CT abdomen — axial view — abdomen soft-tissue window — Aquilion ONE scanner
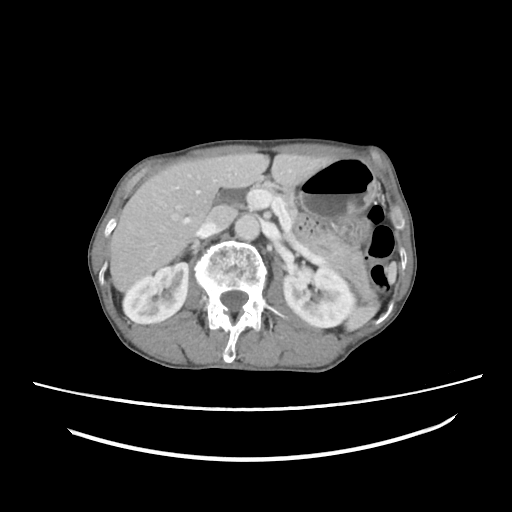

Organ boxes in pixel coordinates; each row gives the top-left (x1, y1) and bottom-right (x2, y2) corners.
| organ | x1 | y1 | x2 | y2 |
|---|---|---|---|---|
| inferior vena cava | 199 | 205 | 236 | 235 |
| spleen | 345 | 262 | 396 | 331 |
| aorta | 234 | 214 | 260 | 240 |
| right kidney | 123 | 262 | 188 | 323 |
| liver | 110 | 153 | 333 | 291 |
| pancreas | 256 | 181 | 378 | 302 |
| left kidney | 283 | 265 | 355 | 327 |
| stomach | 298 | 157 | 376 | 246 |